CT abdomen · axial plane, index 20
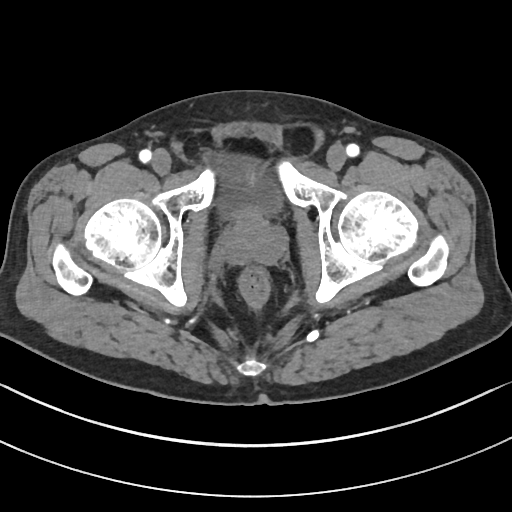 One row per box, in pixels: columns x1 and y1 give the top-left corner, x2 and y2 the bottom-right.
| organ | x1 | y1 | x2 | y2 |
|---|---|---|---|---|
| prostate/uterus | 224 | 211 | 285 | 265 |
| bladder | 201 | 151 | 284 | 219 |